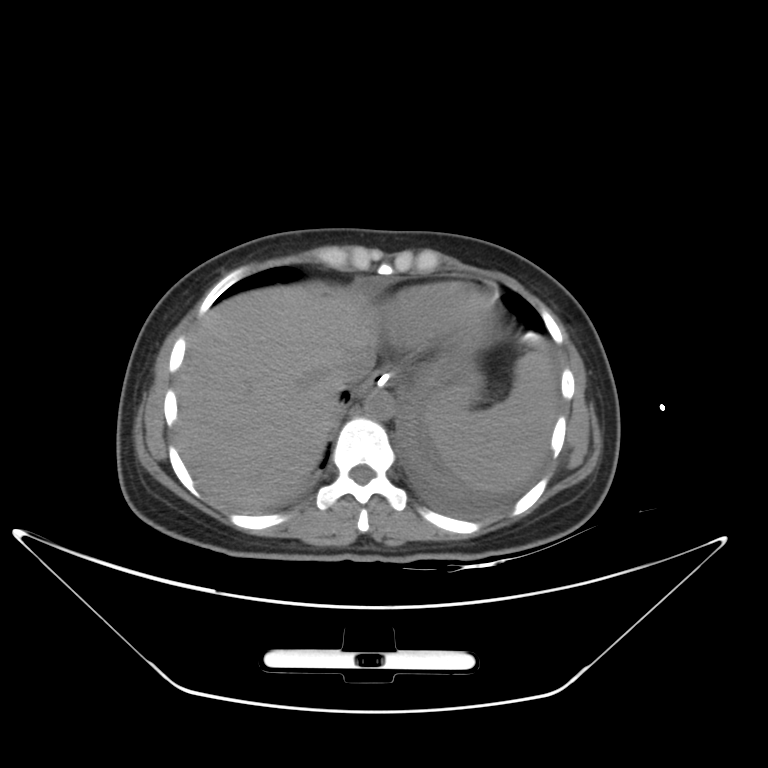 CT abdomen · Axial slice 85/95 · W/L 400/40 HU · Brilliance16 scanner
<organs><organ name="spleen" x1="424" y1="353" x2="557" y2="491"/><organ name="esophagus" x1="357" y1="371" x2="389" y2="396"/><organ name="liver" x1="174" y1="281" x2="377" y2="510"/><organ name="stomach" x1="389" y1="366" x2="483" y2="398"/><organ name="aorta" x1="363" y1="389" x2="394" y2="420"/><organ name="inferior vena cava" x1="336" y1="350" x2="374" y2="388"/></organs>